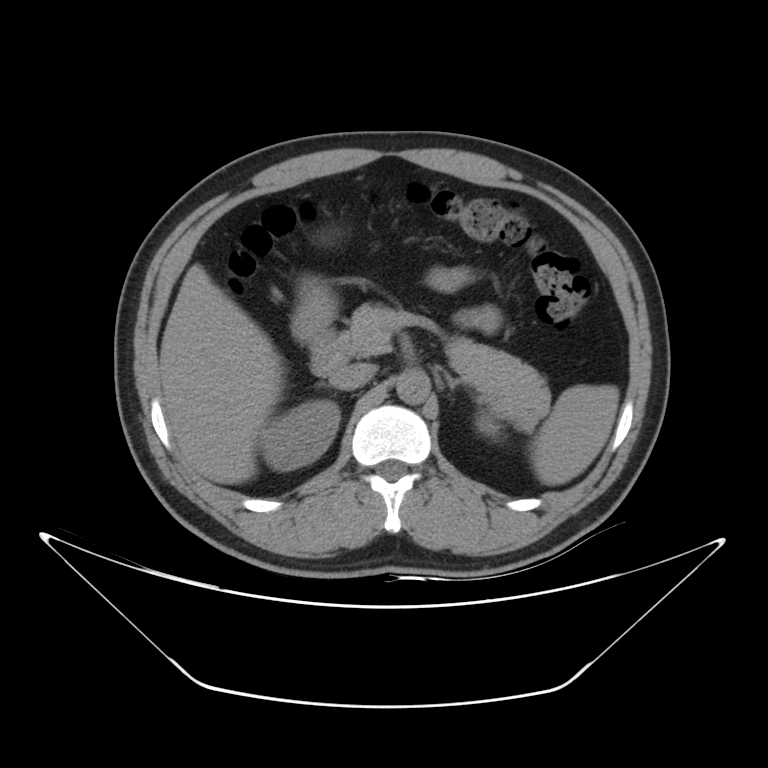

Computed tomography, abdomen. axial view
Bounding boxes in pixels, one row per box: x1, y1 is the top-left corner and x2, y2 the bottom-right.
| organ | x1 | y1 | x2 | y2 |
|---|---|---|---|---|
| spleen | 509 | 385 | 619 | 485 |
| right kidney | 260 | 400 | 340 | 471 |
| left kidney | 476 | 413 | 499 | 438 |
| liver | 160 | 264 | 283 | 484 |
| stomach | 292 | 279 | 335 | 341 |
| aorta | 396 | 369 | 430 | 404 |
| inferior vena cava | 329 | 363 | 375 | 390 |
| pancreas | 342 | 304 | 550 | 415 |
| left adrenal gland | 444 | 372 | 465 | 390 |
| duodenum | 310 | 327 | 349 | 376 |